Abdominal CT — axial view
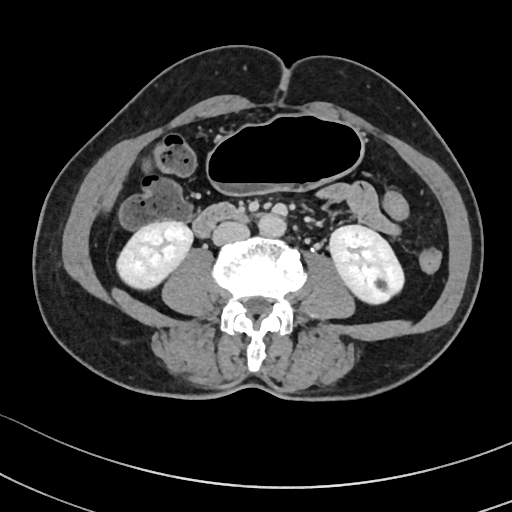
Bounding boxes as [x1, y1, x2, y2] in pixel coordinates.
Organ bounding boxes:
- inferior vena cava: [213, 221, 250, 246]
- duodenum: [193, 202, 243, 236]
- left kidney: [330, 225, 403, 304]
- aorta: [256, 213, 285, 237]
- stomach: [208, 113, 362, 193]
- right kidney: [117, 221, 195, 288]